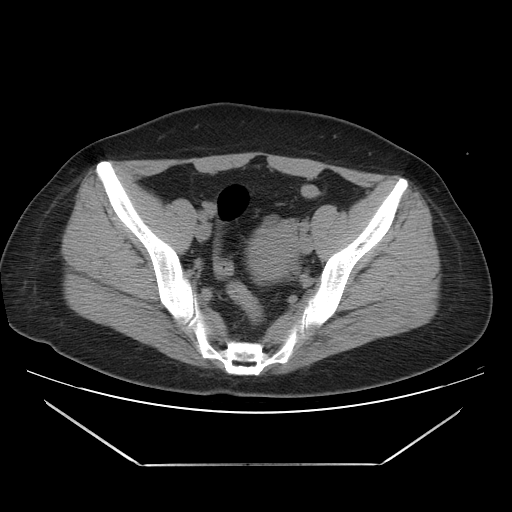
Computed tomography, abdomen; axial view; soft-tissue window; 512x512 px; SOMATOM Force scanner
Boxes are (x1, y1, x2, y2) in pixels.
prostate/uterus: (250, 220, 297, 279)